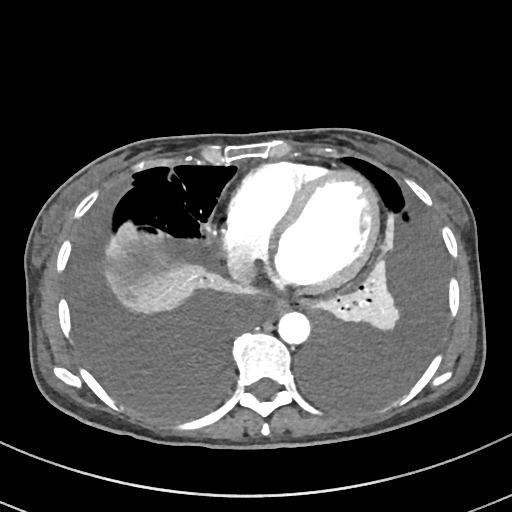
Abdominal CT; this slice is in the lower chest, just above the liver · axial view · scan has 15 labeled organs (counted over the whole 3D scan, not this slice; an organ is boxed only where this slice passes through it)
No part of the heart or lungs is labeled in this dataset, so neither has a box here.
Bounding boxes as [x1, y1, x2, y2] in pixel coordinates.
esophagus: [273, 297, 289, 311]
aorta: [278, 311, 310, 343]
inferior vena cava: [228, 257, 255, 284]